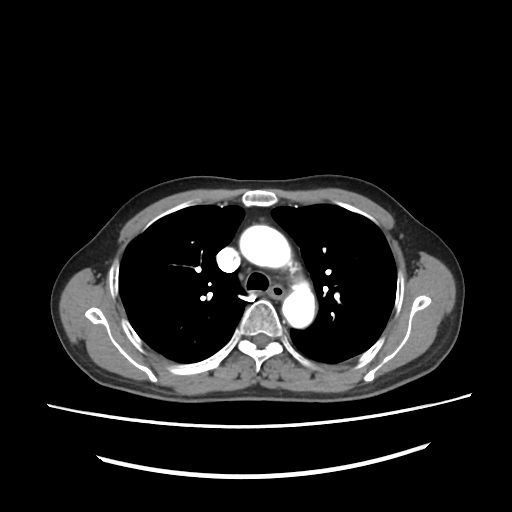 Abdominal CT reaching into the chest; this slice is in the chest; Axial slice 113/132
At this level of the chest no structure but the esophagus and the aorta has a label in this dataset, and those two are boxed only where they are labeled.
Boxes: x1 y1 x2 y2 (pixel coords, space-separated).
Organ bounding boxes:
- esophagus: 269 286 284 297
- aorta: 240 226 293 268
- aorta: 280 279 318 330